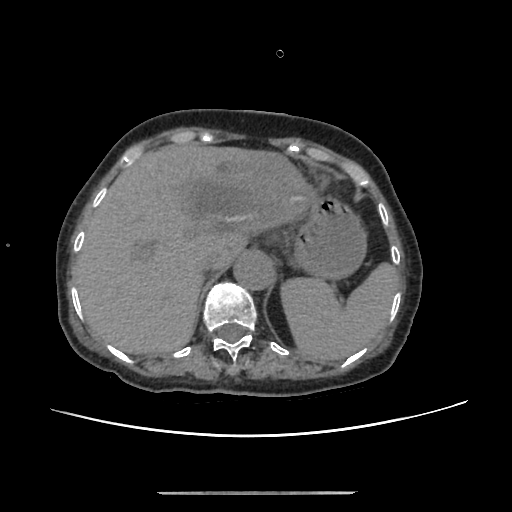

CT abdomen — axial plane, index 280 — acquired on SOMATOM Force
Each box given as x1,y1,x2,y2. 5 labeled organs on this slice — spleen at x1=282, y1=263, x2=400, y2=362; liver at x1=73, y1=144, x2=316, y2=353; stomach at x1=294, y1=195, x2=365, y2=278; aorta at x1=233, y1=253, x2=273, y2=289; inferior vena cava at x1=197, y1=252, x2=219, y2=273.